Abdominal CT. axial view. 512x512 px. 15 organs annotated in this scan (that count is for the whole scan; organs this slice misses have no box)
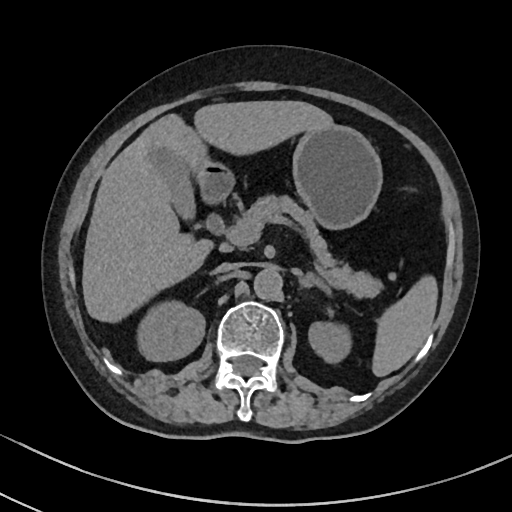
One row per box, in pixels: columns x1 and y1 give the top-left corner, x2 and y2 the bottom-right.
| organ | x1 | y1 | x2 | y2 |
|---|---|---|---|---|
| spleen | 372 | 275 | 437 | 376 |
| liver | 82 | 100 | 333 | 322 |
| left kidney | 308 | 321 | 351 | 363 |
| inferior vena cava | 214 | 262 | 238 | 273 |
| stomach | 200 | 124 | 382 | 229 |
| left adrenal gland | 299 | 272 | 330 | 294 |
| aorta | 254 | 267 | 282 | 299 |
| right kidney | 138 | 300 | 205 | 360 |
| gall bladder | 147 | 144 | 195 | 219 |
| pancreas | 238 | 195 | 383 | 298 |
| duodenum | 198 | 165 | 233 | 203 |